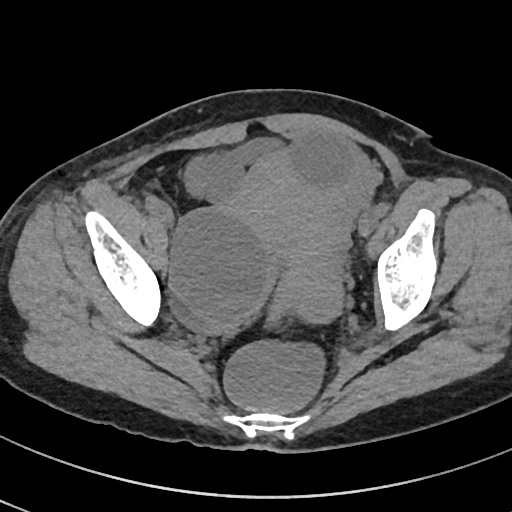 Computed tomography, abdomen — axial view — 512x512 px
Bounding boxes as [x1, y1, x2, y2] in pixel coordinates.
Organ bounding boxes:
- prostate/uterus: [230, 158, 346, 322]
- bladder: [186, 136, 283, 193]